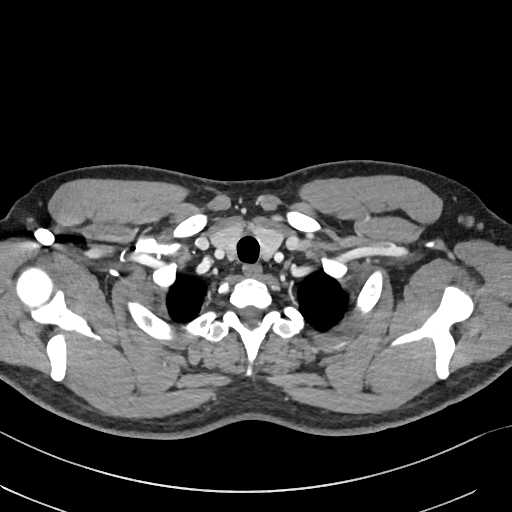 Abdominal CT reaching into the chest; this slice is in the chest. axial plane, index 298. soft-tissue window (W 400 / L 40)
At this level of the chest no structure but the esophagus and the aorta has a label in this dataset, and those two are boxed only where they are labeled.
Each box given as x1,y1,x2,y2.
Organ bounding boxes:
- esophagus: x1=244, y1=265, x2=260, y2=275